CT, abdomen/pelvis — axial plane, index 12 — 73-year-old female patient
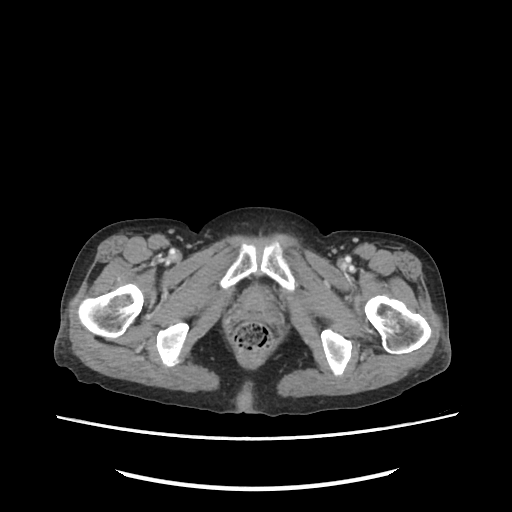

Organ boxes in pixel coordinates; each row gives the top-left (x1, y1) and bottom-right (x2, y2) corners.
| organ | x1 | y1 | x2 | y2 |
|---|---|---|---|---|
| bladder | 243 | 289 | 267 | 309 |